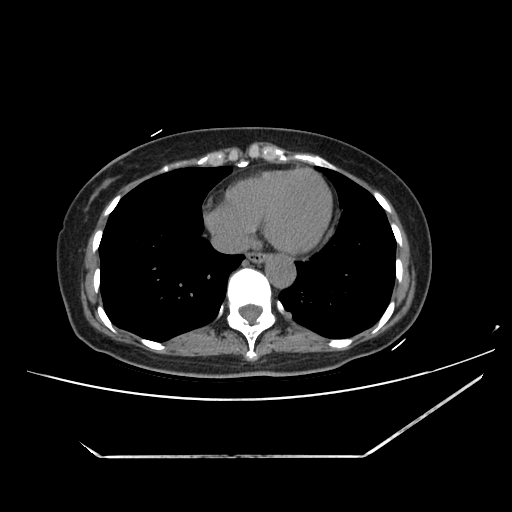
Abdominal CT; this slice is in the lower chest, just above the liver · axial view · 512x512 px
The heart and lungs are never labeled in this dataset, so they have no box on this slice. Box edges are left/top/right/bottom in pixels. Labeled organs on this slice: esophagus at left=246, top=249, right=267, bottom=262, aorta at left=265, top=254, right=295, bottom=287, inferior vena cava at left=210, top=228, right=250, bottom=253.